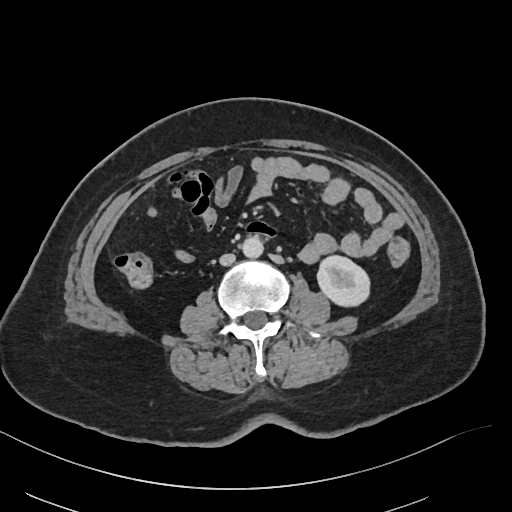 CT abdomen; axial view; 512x512 px
Bounding boxes as [x1, y1, x2, y2] in pixel coordinates. The annotated organs in this slice are: left kidney at [317, 255, 369, 306], aorta at [242, 236, 263, 258], inferior vena cava at [220, 253, 235, 265].